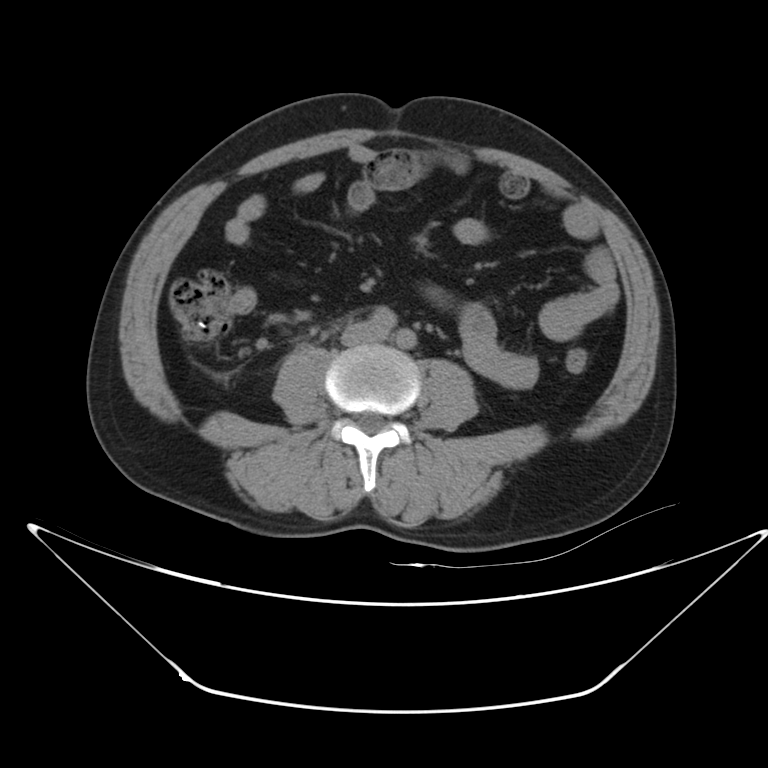
Computed tomography, abdomen. axial view. 45-year-old male patient
Coordinates as <box>x1,y1,x2,y2</box> in pixels. Labeled organs on this slice: inferior vena cava at <box>342,324,375,344</box>.